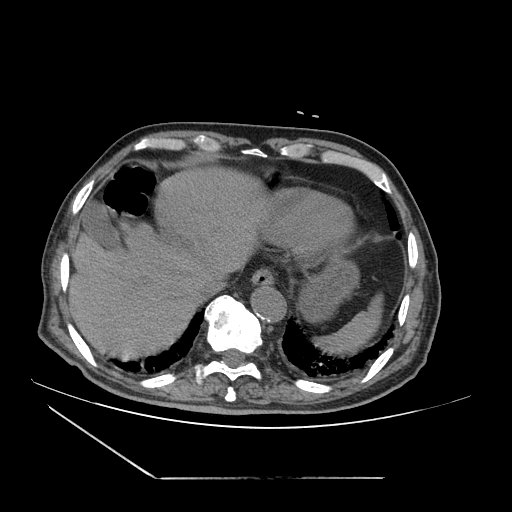

Computed tomography, abdomen · axial plane, index 159
<organs><organ name="spleen" x1="317" y1="298" x2="382" y2="351"/><organ name="gall bladder" x1="82" y1="202" x2="120" y2="247"/><organ name="esophagus" x1="250" y1="271" x2="273" y2="288"/><organ name="liver" x1="70" y1="167" x2="270" y2="359"/><organ name="stomach" x1="263" y1="168" x2="359" y2="320"/><organ name="aorta" x1="252" y1="287" x2="287" y2="323"/><organ name="inferior vena cava" x1="197" y1="276" x2="228" y2="296"/></organs>